Computed tomography, abdomen. axial view. 512x512 px
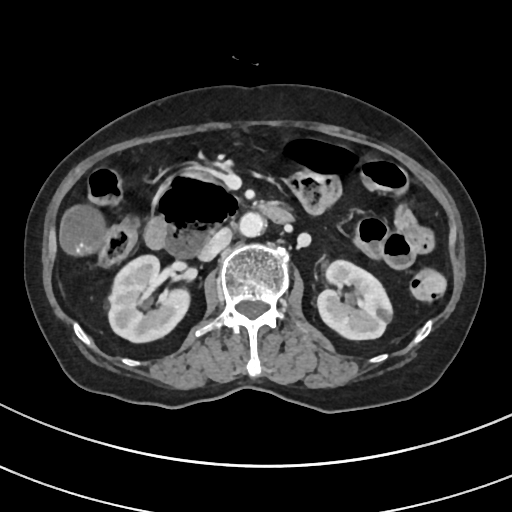

Each box given as x1,y1,x2,y2. Labeled organs on this slice: right kidney at x1=108, y1=255, x2=189, y2=342, left kidney at x1=317, y1=260, x2=392, y2=339, gall bladder at x1=61, y1=206, x2=103, y2=255, aorta at x1=239, y1=212, x2=265, y2=237, inferior vena cava at x1=199, y1=228, x2=232, y2=260, pancreas at x1=182, y1=169, x2=212, y2=182, duodenum at x1=144, y1=175, x2=292, y2=256.